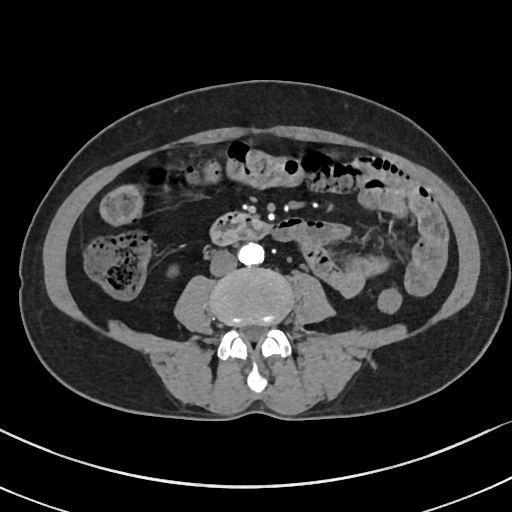 CT abdomen. axial view. soft-tissue window (W 400 / L 40). 512x512 px. SOMATOM Force scanner
Boxes: x1:y1:x2:y2 in pixels.
Organ bounding boxes:
- aorta: 236:244:264:264
- inferior vena cava: 210:250:236:276
- duodenum: 212:210:271:245